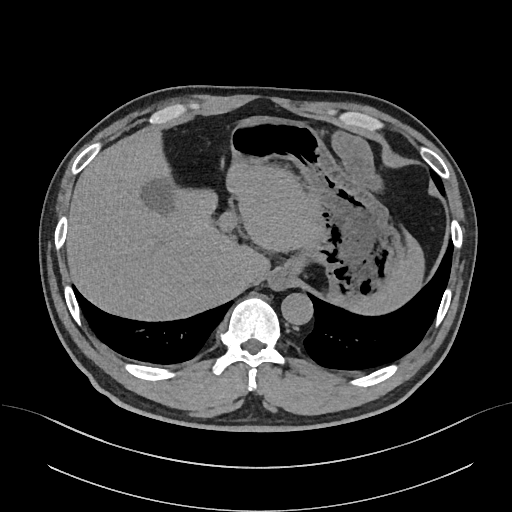

Computed tomography, abdomen. axial view. W/L 400/40 HU. 512x512 px. 15 organs annotated in this scan (that count is for the whole scan; organs this slice misses have no box)
Box edges are left/top/right/bottom in pixels. Labeled organs on this slice: gall bladder at left=141, top=172, right=182, bottom=217, esophagus at left=270, top=270, right=290, bottom=289, liver at left=66, top=129, right=425, bottom=320, stomach at left=231, top=117, right=407, bottom=308, aorta at left=281, top=293, right=312, bottom=324, inferior vena cava at left=230, top=269, right=248, bottom=286.